CT of the abdomen extending into the chest, slice through the chest — axial view — soft-tissue window, W/L 400/40 — 512x512 px
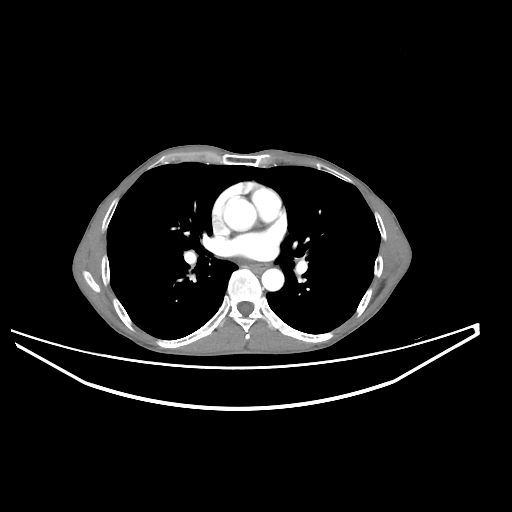

On a slice this high in the chest, this dataset labels only the esophagus and the aorta, and each is boxed only where it is labeled; the heart, lungs and other chest structures are not labeled.
{"organs":{"aorta":[[224,198,256,231],[261,268,283,290]],"esophagus":[252,263,267,273]}}